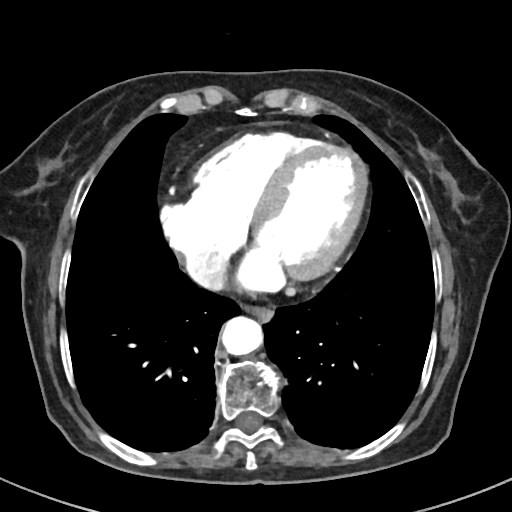

Lower-chest slice from an abdominal CT, just above the liver and spleen; axial plane, index 188; soft-tissue window (W 400 / L 40); 512x512 px
Of the structures in the chest, this dataset labels only the esophagus, the aorta and the inferior vena cava; the heart and lungs have no label.
<organs><organ name="esophagus" x1="244" y1="305" x2="272" y2="319"/><organ name="aorta" x1="221" y1="316" x2="263" y2="355"/><organ name="inferior vena cava" x1="186" y1="252" x2="226" y2="290"/></organs>